CT, abdomen/pelvis. axial view. soft-tissue window. 15 organs annotated in this scan (counted over the whole 3D scan, not this slice; an organ is boxed only where this slice passes through it)
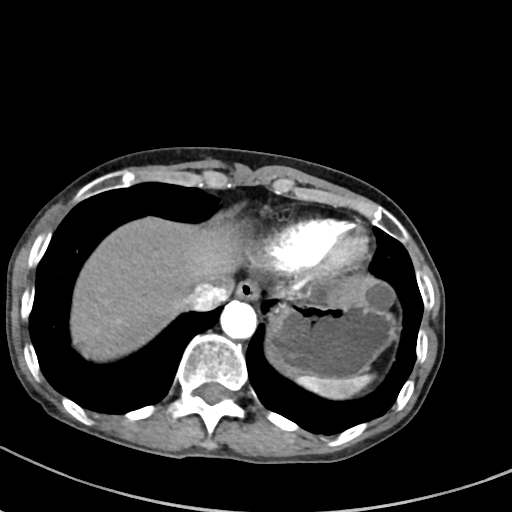 {"organs":{"spleen":[293,375,372,399],"esophagus":[235,280,260,299],"liver":[72,218,376,360],"stomach":[265,300,396,379],"aorta":[220,300,256,337],"inferior vena cava":[183,282,229,312]}}